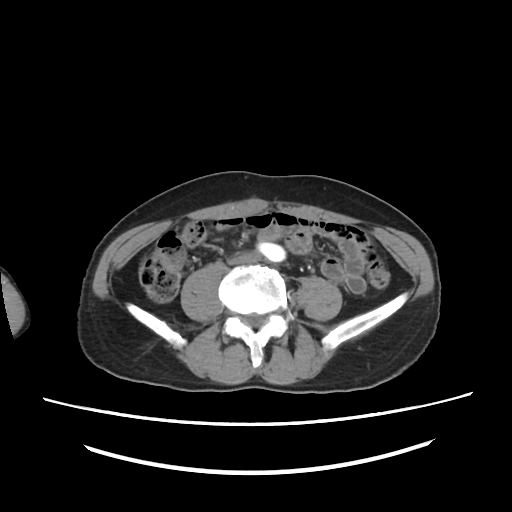
Abdominal CT; Axial slice 49/132; soft-tissue window; 61-year-old male patient; acquired on Aquilion ONE
<organs><organ name="inferior vena cava" x1="227" y1="253" x2="261" y2="267"/><organ name="aorta" x1="258" y1="241" x2="285" y2="261"/></organs>